CT, abdomen/pelvis · Axial slice 40/187 · abdomen soft-tissue window
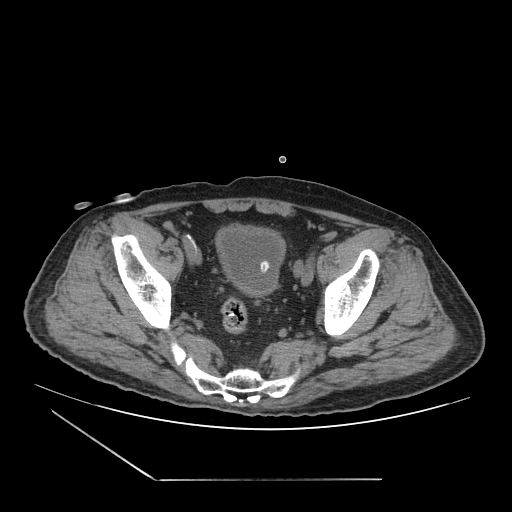

<organs><organ name="bladder" x1="215" y1="224" x2="286" y2="298"/></organs>